Computed tomography, abdomen. axial plane, index 203. 512x512 px
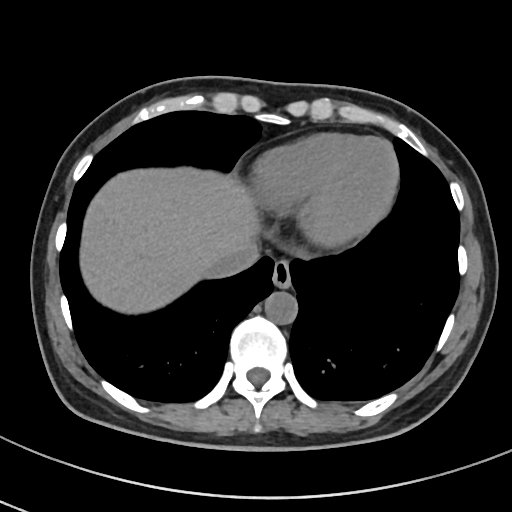 Boxes: x1:y1:x2:y2 in pixels.
Organ bounding boxes:
- esophagus: 271:260:291:289
- liver: 81:169:256:312
- aorta: 265:292:298:325
- inferior vena cava: 208:244:258:275